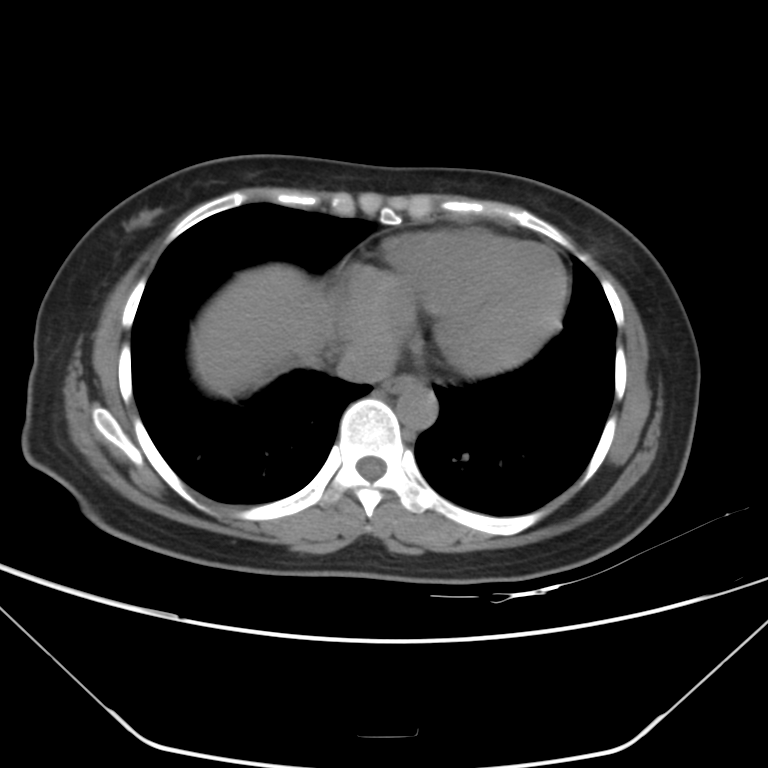

Computed tomography, abdomen. axial plane, index 81. 32-year-old female patient
Organ boxes in pixel coordinates; each row gives the top-left (x1, y1) and bottom-right (x2, y2) corners.
| organ | x1 | y1 | x2 | y2 |
|---|---|---|---|---|
| aorta | 396 | 382 | 437 | 430 |
| inferior vena cava | 337 | 337 | 397 | 381 |
| esophagus | 384 | 374 | 417 | 393 |
| liver | 193 | 264 | 332 | 398 |